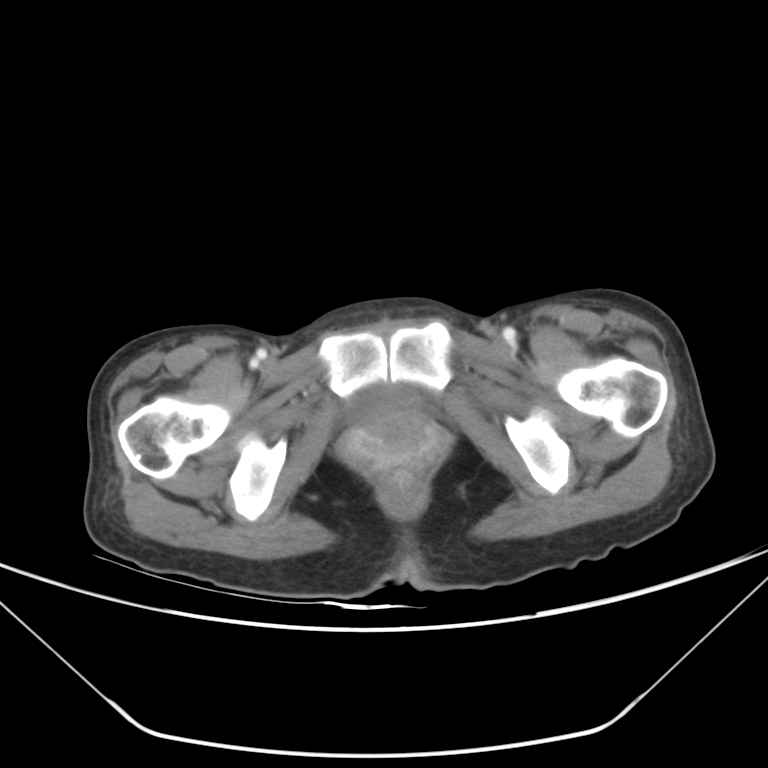
CT, abdomen/pelvis; axial view; Brilliance16 scanner
Organ boxes in pixel coordinates; each row gives the top-left (x1, y1) and bottom-right (x2, y2) corners.
| organ | x1 | y1 | x2 | y2 |
|---|---|---|---|---|
| bladder | 349 | 388 | 420 | 421 |
| prostate/uterus | 347 | 412 | 437 | 465 |